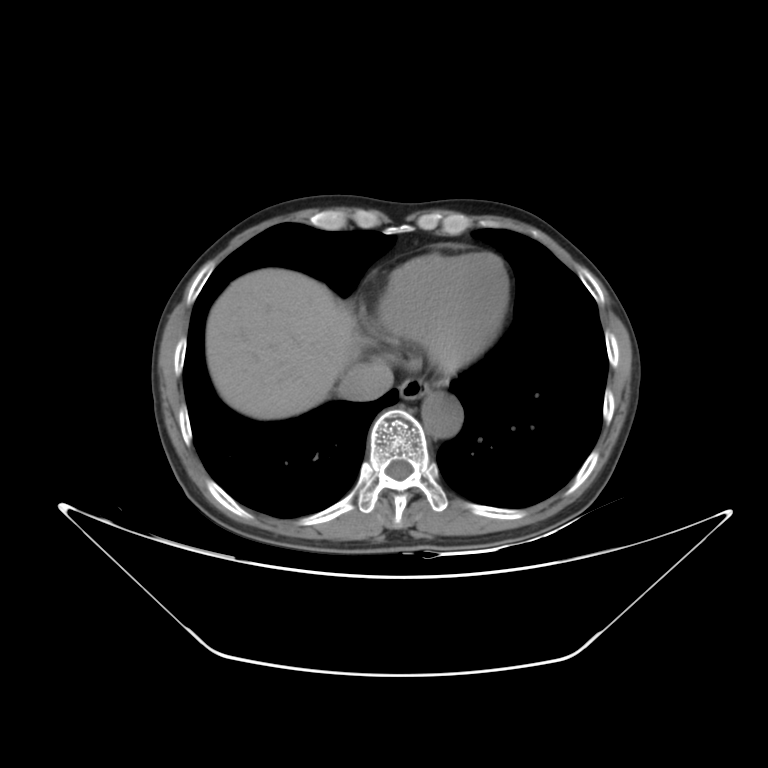

CT, abdomen/pelvis. axial view. 768x768 px. Brilliance16 scanner
<organs><organ name="aorta" x1="421" y1="392" x2="462" y2="437"/><organ name="liver" x1="205" y1="268" x2="359" y2="419"/><organ name="esophagus" x1="399" y1="378" x2="431" y2="400"/><organ name="inferior vena cava" x1="337" y1="360" x2="393" y2="401"/></organs>